CT, abdomen/pelvis · axial plane, index 172 · soft-tissue window · 512x512 px · SOMATOM Force scanner
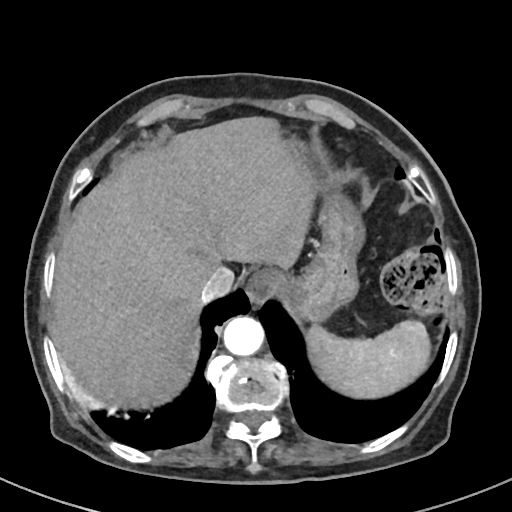
<organs><organ name="spleen" x1="308" y1="320" x2="429" y2="397"/><organ name="stomach" x1="293" y1="194" x2="361" y2="319"/><organ name="inferior vena cava" x1="201" y1="264" x2="234" y2="298"/><organ name="liver" x1="51" y1="117" x2="316" y2="406"/><organ name="aorta" x1="223" y1="317" x2="263" y2="355"/><organ name="esophagus" x1="244" y1="270" x2="283" y2="306"/></organs>